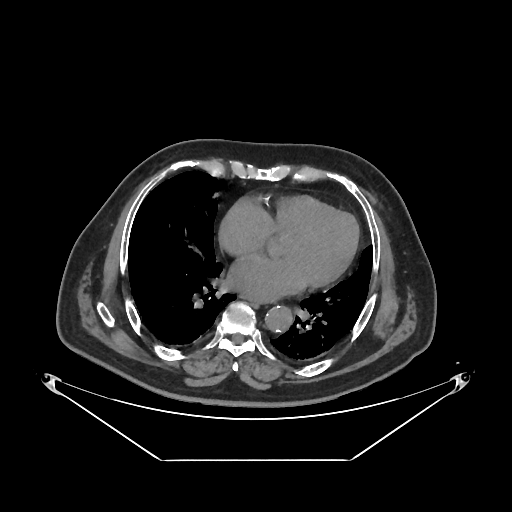

Lower-chest slice from an abdominal CT, just above the liver and spleen — Axial slice 346/353 — soft-tissue window (W 400 / L 40) — 512x512 px — acquired on SOMATOM Force
Of the structures in the chest, this dataset labels only the esophagus, the aorta and the inferior vena cava; the heart and lungs have no label. Coordinates as <box>x1,y1,x2,y2</box> in pixels. Labeled organs on this slice: aorta at <box>264,306,292,332</box>, esophagus at <box>246,298,265,300</box>.